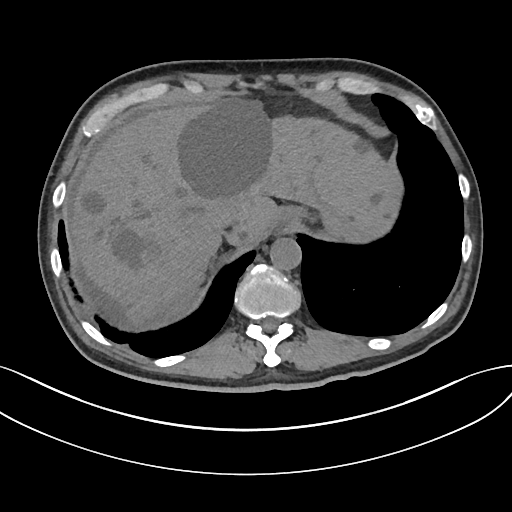
CT abdomen; axial view; soft-tissue window (W 400 / L 40); SOMATOM Force scanner
<organs><organ name="spleen" x1="344" y1="221" x2="391" y2="241"/><organ name="esophagus" x1="276" y1="208" x2="296" y2="233"/><organ name="liver" x1="70" y1="101" x2="401" y2="326"/><organ name="stomach" x1="285" y1="207" x2="307" y2="221"/><organ name="aorta" x1="270" y1="237" x2="301" y2="270"/><organ name="inferior vena cava" x1="216" y1="208" x2="240" y2="228"/></organs>